CT, abdomen/pelvis · axial view · 512x512 px
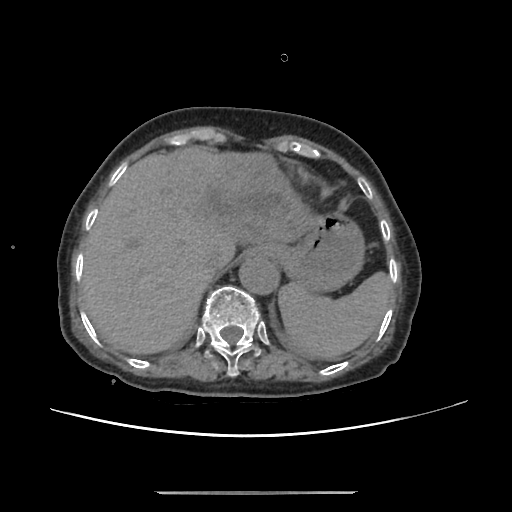
Bounding boxes in pixels, one row per box: x1, y1 is the top-left corner and x2, y2 the bottom-right.
| organ | x1 | y1 | x2 | y2 |
|---|---|---|---|---|
| spleen | 278 | 271 | 393 | 360 |
| esophagus | 248 | 246 | 263 | 255 |
| liver | 80 | 146 | 318 | 354 |
| stomach | 263 | 210 | 365 | 291 |
| aorta | 238 | 256 | 278 | 294 |
| inferior vena cava | 203 | 248 | 227 | 273 |